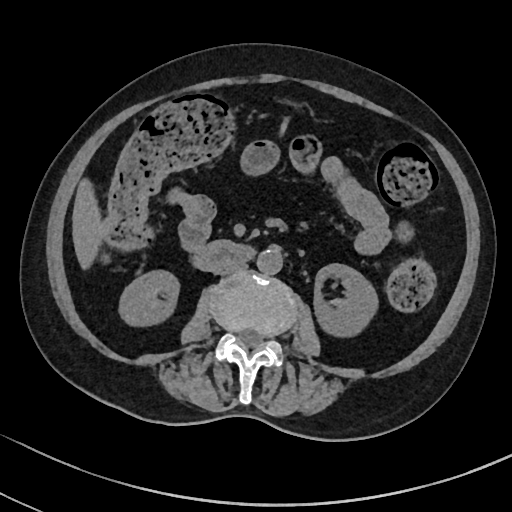

CT, abdomen/pelvis — axial view
Boxes: x1:y1:x2:y2 in pixels. 7 labeled organs on this slice — right kidney at 118:269:180:328; left kidney at 314:263:379:335; liver at 72:179:100:270; stomach at 281:109:299:122; aorta at 257:249:282:275; inferior vena cava at 215:262:245:275; duodenum at 194:240:257:270.